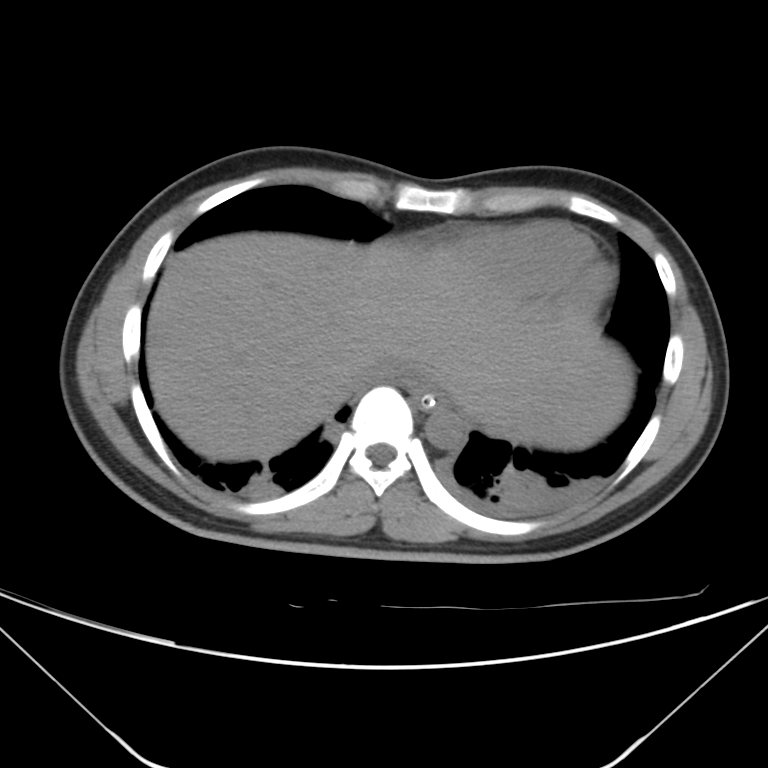 CT, abdomen/pelvis — axial view — 24-year-old male patient
{"organs":{"esophagus":[412,388,442,410],"liver":[146,231,632,461],"stomach":[415,387,427,389],"aorta":[425,407,464,450],"inferior vena cava":[364,356,409,383]}}